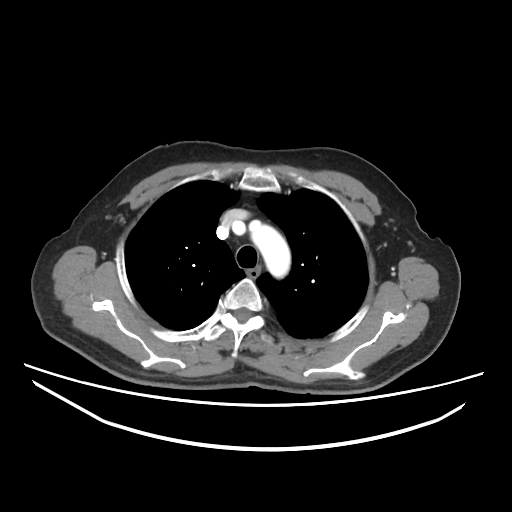
Chest-level CT slice, above the liver and spleen · axial plane, index 113 · 512x512 px
On a slice this high in the chest, this dataset labels only the esophagus and the aorta, and each is boxed only where it is labeled; the heart, lungs and other chest structures are not labeled.
<organs><organ name="esophagus" x1="248" y1="268" x2="258" y2="276"/><organ name="aorta" x1="249" y1="220" x2="290" y2="277"/></organs>